CT abdomen · axial view · Aquilion ONE scanner · 15 organs annotated in this scan (counted over the whole 3D scan, not this slice; an organ is boxed only where this slice passes through it)
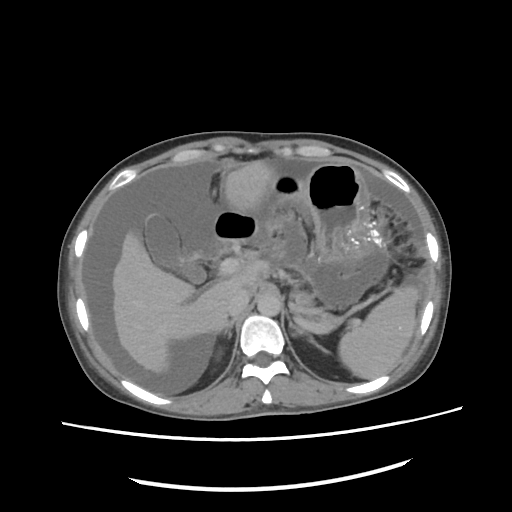

Organ boxes in pixel coordinates; each row gives the top-left (x1, y1) and bottom-right (x2, y2) corners.
| organ | x1 | y1 | x2 | y2 |
|---|---|---|---|---|
| spleen | 339 | 289 | 418 | 379 |
| right kidney | 216 | 347 | 223 | 360 |
| gall bladder | 146 | 214 | 206 | 282 |
| liver | 113 | 160 | 275 | 375 |
| stomach | 268 | 161 | 382 | 275 |
| aorta | 257 | 291 | 281 | 316 |
| inferior vena cava | 230 | 290 | 248 | 314 |
| pancreas | 290 | 281 | 341 | 327 |
| right adrenal gland | 217 | 318 | 236 | 336 |
| left adrenal gland | 289 | 321 | 304 | 335 |
| duodenum | 213 | 207 | 258 | 245 |